MRI, abdomen — coronal acquisition — 260x320 px — 13 organs annotated in this scan (counted over the whole 3D scan, not this slice; an organ is boxed only where this slice passes through it)
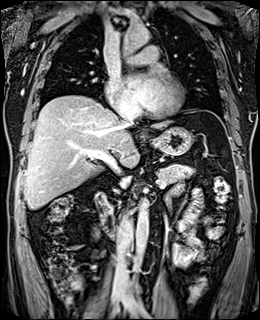 <organs><organ name="liver" x1="24" y1="95" x2="171" y2="209"/><organ name="stomach" x1="151" y1="126" x2="192" y2="155"/><organ name="aorta" x1="134" y1="198" x2="148" y2="273"/><organ name="aorta" x1="121" y1="24" x2="149" y2="48"/><organ name="inferior vena cava" x1="113" y1="210" x2="131" y2="282"/><organ name="inferior vena cava" x1="117" y1="103" x2="136" y2="124"/><organ name="pancreas" x1="157" y1="163" x2="194" y2="185"/><organ name="duodenum" x1="95" y1="192" x2="115" y2="237"/></organs>